CT, abdomen/pelvis — axial view — 512x512 px — SOMATOM Force scanner — scan has 15 labeled organs (counted over the whole 3D scan, not this slice; an organ is boxed only where this slice passes through it)
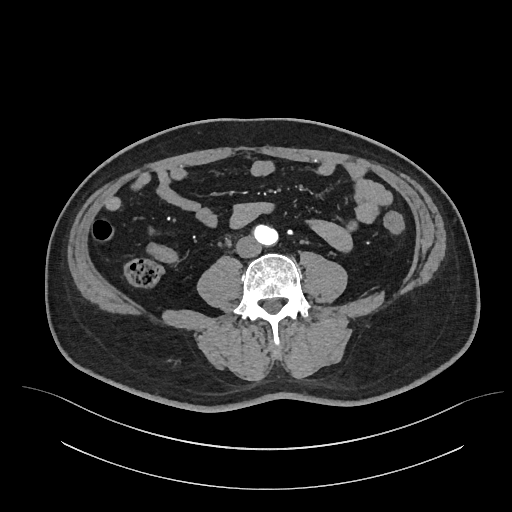
One row per box, in pixels: columns x1 and y1 give the top-left corner, x2 and y2 the bottom-right.
| organ | x1 | y1 | x2 | y2 |
|---|---|---|---|---|
| aorta | 254 | 225 | 278 | 245 |
| inferior vena cava | 236 | 236 | 261 | 257 |